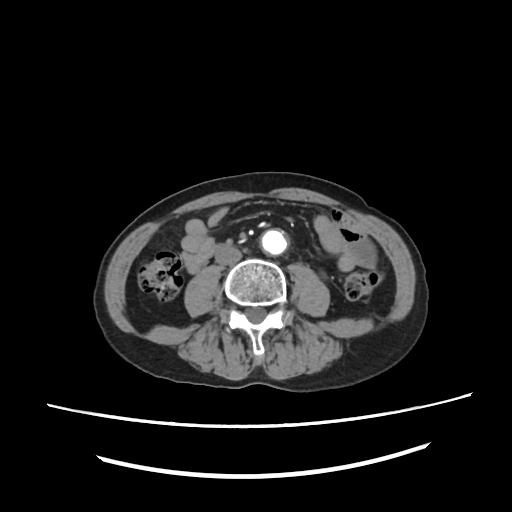 CT abdomen. axial view. 512x512 px. 15 organs annotated in this scan (counted over the whole 3D scan, not this slice; an organ is boxed only where this slice passes through it)
One row per box, in pixels: columns x1 and y1 give the top-left corner, x2 and y2 the bottom-right.
| organ | x1 | y1 | x2 | y2 |
|---|---|---|---|---|
| inferior vena cava | 214 | 246 | 240 | 264 |
| aorta | 260 | 229 | 286 | 254 |
| duodenum | 188 | 246 | 219 | 273 |